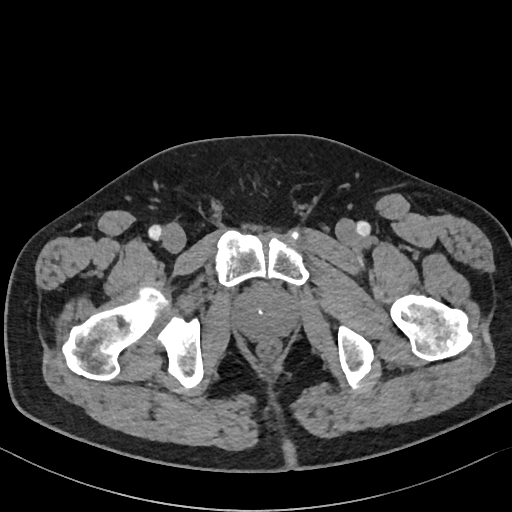

Abdominal CT; axial view; W/L 400/40 HU; 15 organs annotated in this scan (counted over the whole 3D scan, not this slice; an organ is boxed only where this slice passes through it)
Boxes are (x1, y1, x2, y2) in pixels. The annotated organs in this slice are: prostate/uterus at (233, 286, 297, 339).